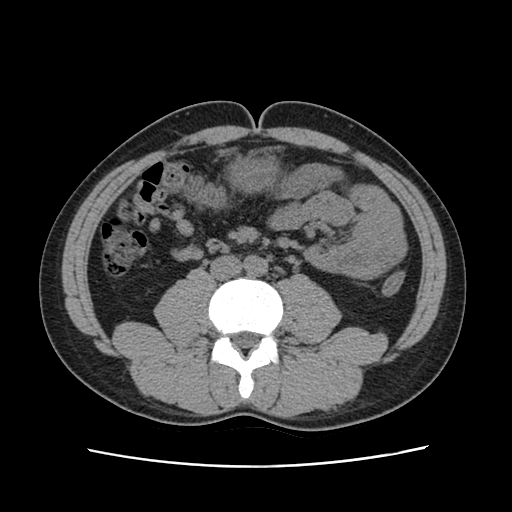 CT abdomen; axial view
One row per box, in pixels: columns x1 and y1 give the top-left corner, x2 and y2 the bottom-right.
| organ | x1 | y1 | x2 | y2 |
|---|---|---|---|---|
| stomach | 229 | 156 | 278 | 192 |
| aorta | 244 | 255 | 267 | 275 |
| inferior vena cava | 210 | 255 | 242 | 280 |